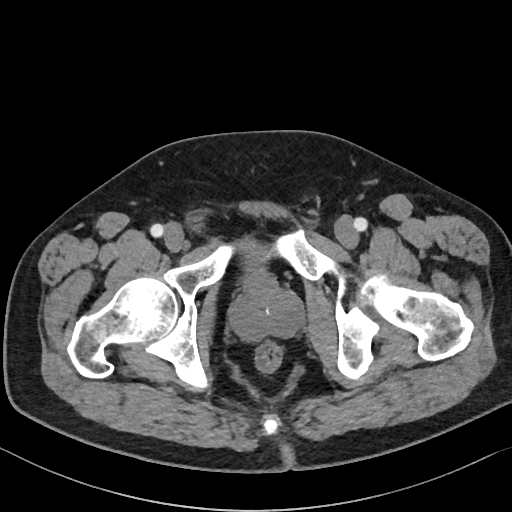

CT, abdomen/pelvis; axial view; abdomen soft-tissue window; 15 organs annotated in this scan (that count is for the whole scan; organs this slice misses have no box)
{"organs":{"bladder":[239,238,268,283],"prostate/uterus":[230,279,302,340]}}